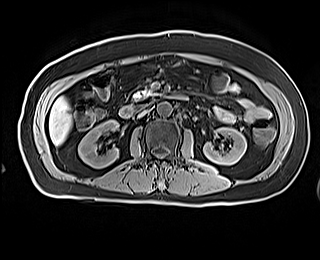 MRI, abdomen · axial view · 320x260 px
{"organs":{"right kidney":[78,120,118,168],"left kidney":[203,127,246,164],"liver":[49,97,71,145],"aorta":[157,102,171,115],"inferior vena cava":[138,109,148,117],"pancreas":[131,90,151,101],"duodenum":[119,94,186,117]}}